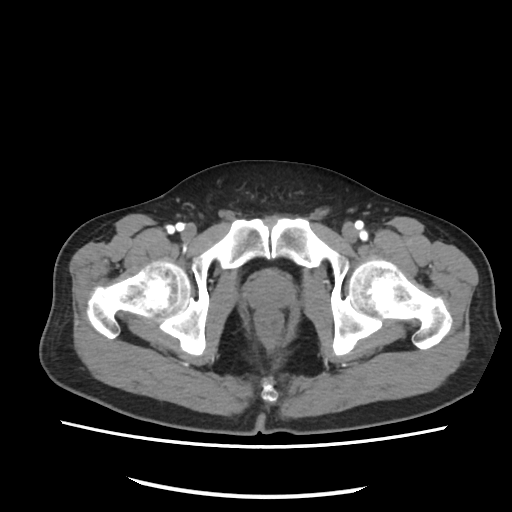
CT abdomen · axial plane, index 21 · soft-tissue window (W 400 / L 40)
Each box given as x1,y1,x2,y2. The annotated organs in this slice are: prostate/uterus at x1=249, y1=274, x2=290, y2=309.